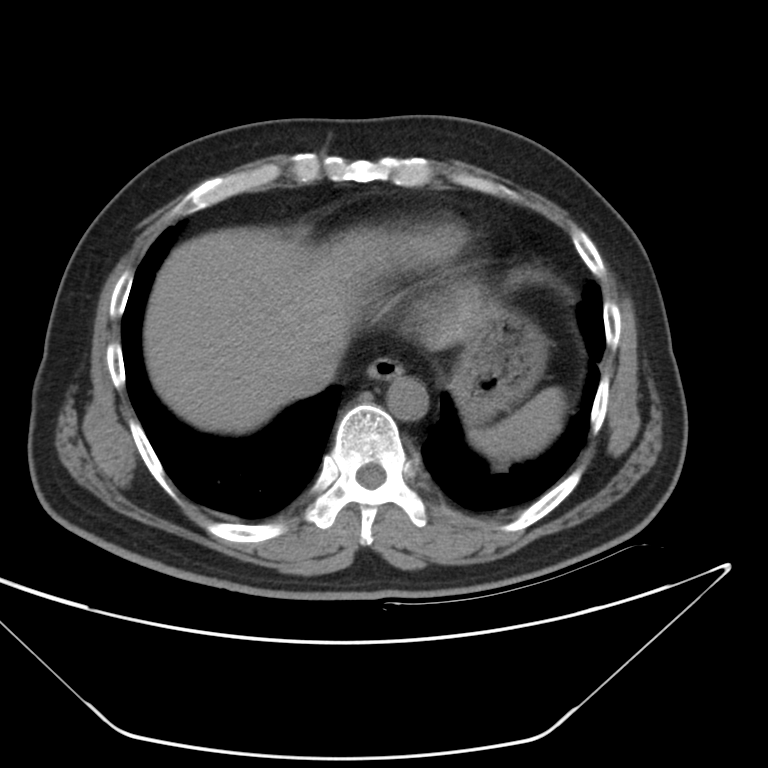

Computed tomography, abdomen. axial view. 768x768 px. acquired on Brilliance16. 14 organs annotated in this scan (a whole-scan count: organs this slice does not pass through have no box)
Boxes: x1:y1:x2:y2 in pixels.
spleen: 469:385:568:467
esophagus: 366:356:402:381
liver: 142:227:365:436
stomach: 449:302:545:427
aorta: 386:373:428:421
inferior vena cava: 289:345:345:395